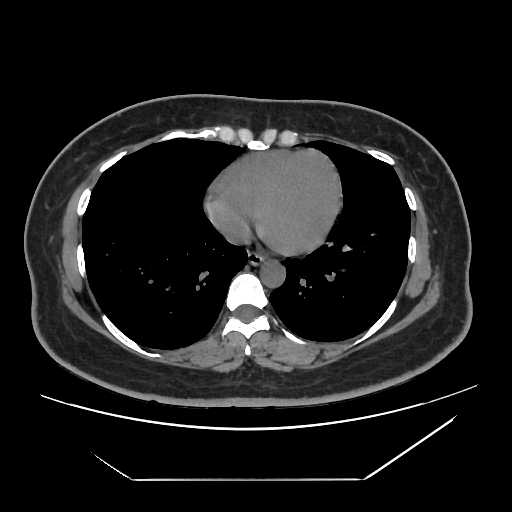 Lower-chest slice from an abdominal CT, just above the liver and spleen; axial view; soft-tissue window (W 400 / L 40); 512x512 px
No part of the heart or lungs is labeled in this dataset, so neither has a box here. Each box given as x1,y1,x2,y2. Labeled organs on this slice: esophagus at x1=248, y1=252, x2=264, y2=264, inferior vena cava at x1=225, y1=225, x2=248, y2=242, aorta at x1=259, y1=260, x2=285, y2=287.